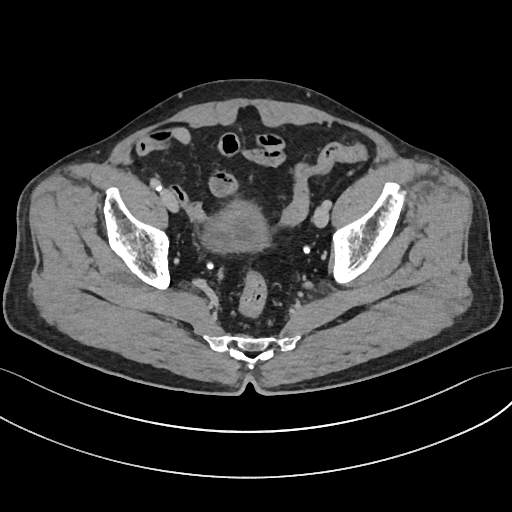

Abdominal CT · axial view · 512x512 px
<organs><organ name="bladder" x1="203" y1="202" x2="267" y2="251"/></organs>